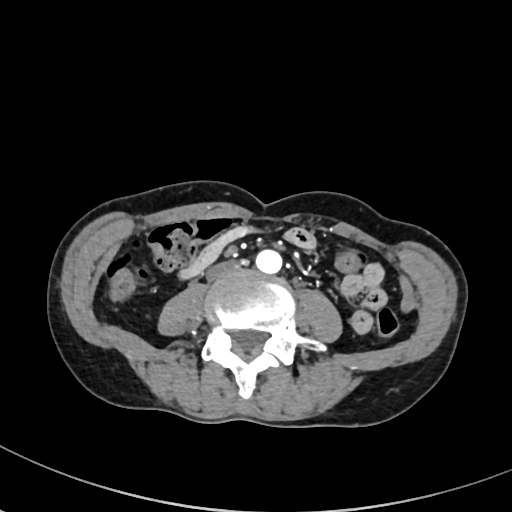

Computed tomography, abdomen; axial plane, index 109; W/L 400/40 HU; 512x512 px
{"organs":{"aorta":[255,249,282,273],"inferior vena cava":[207,261,241,280]}}